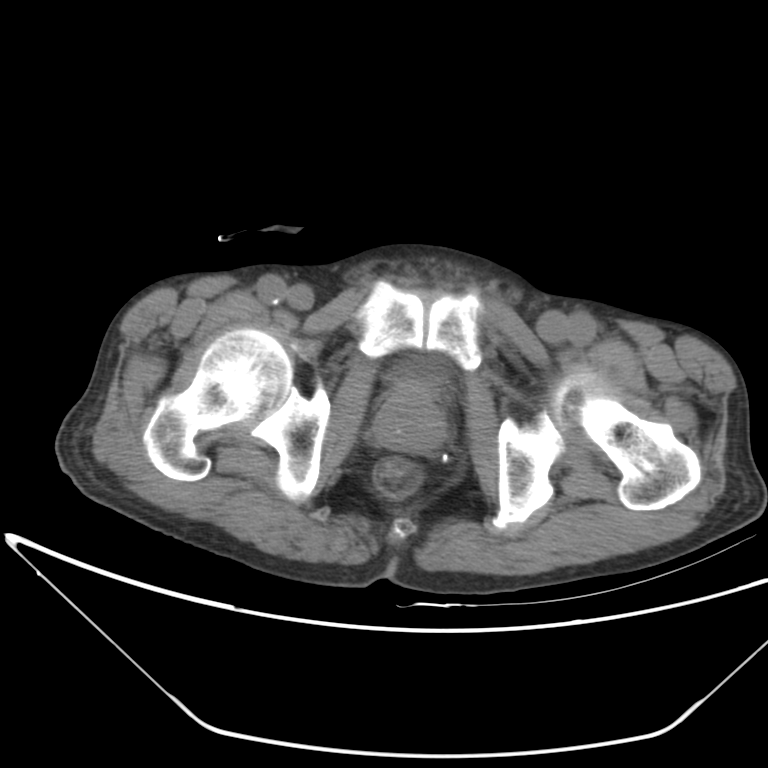

CT abdomen; axial plane, index 10; W/L 400/40 HU; 768x768 px
<organs><organ name="bladder" x1="390" y1="356" x2="445" y2="383"/><organ name="prostate/uterus" x1="375" y1="385" x2="446" y2="452"/></organs>